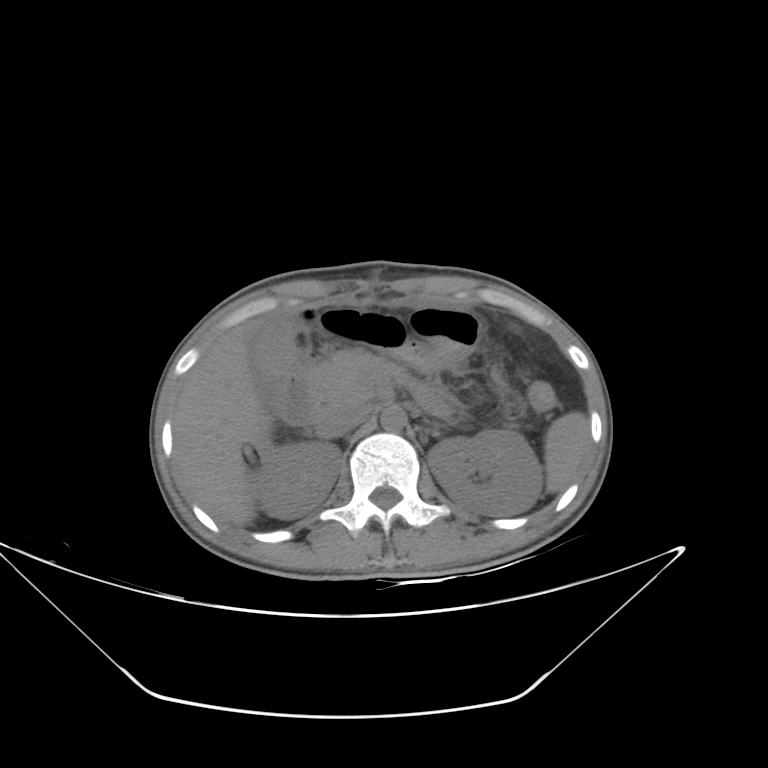

CT abdomen; axial view
<organs><organ name="pancreas" x1="309" y1="350" x2="415" y2="403"/><organ name="spleen" x1="544" y1="412" x2="588" y2="493"/><organ name="right kidney" x1="250" y1="441" x2="341" y2="519"/><organ name="gall bladder" x1="251" y1="323" x2="294" y2="376"/><organ name="liver" x1="173" y1="317" x2="272" y2="525"/><organ name="duodenum" x1="274" y1="365" x2="318" y2="425"/><organ name="inferior vena cava" x1="316" y1="402" x2="369" y2="438"/><organ name="left kidney" x1="427" y1="429" x2="542" y2="516"/><organ name="aorta" x1="380" y1="406" x2="406" y2="431"/></organs>